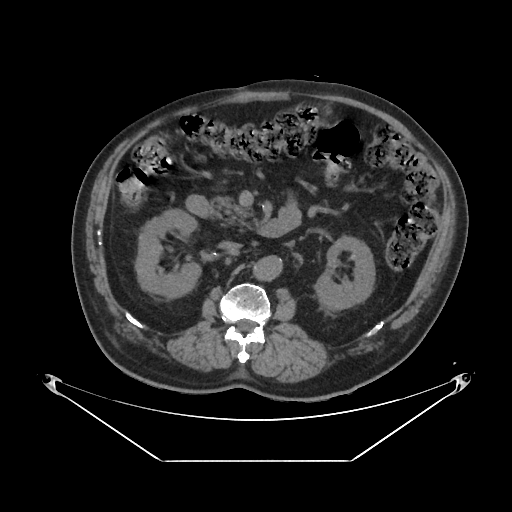

CT, abdomen/pelvis · axial view · 512x512 px · 15 organs annotated in this scan (counted over the whole 3D scan, not this slice; an organ is boxed only where this slice passes through it)
<organs><organ name="right kidney" x1="135" y1="208" x2="200" y2="297"/><organ name="left kidney" x1="315" y1="235" x2="374" y2="309"/><organ name="aorta" x1="254" y1="255" x2="282" y2="279"/><organ name="inferior vena cava" x1="219" y1="240" x2="241" y2="250"/><organ name="pancreas" x1="211" y1="196" x2="250" y2="228"/><organ name="duodenum" x1="187" y1="196" x2="292" y2="237"/></organs>